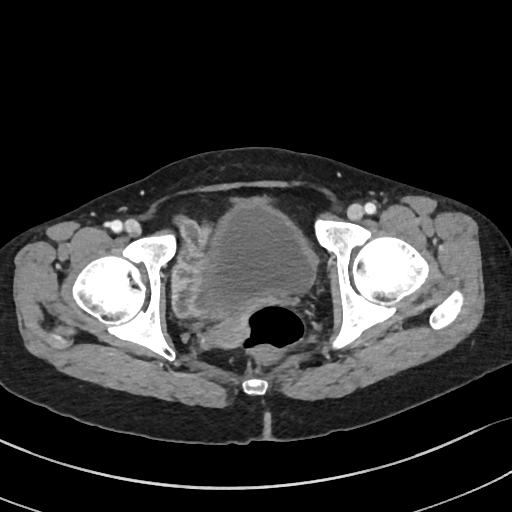 CT abdomen. axial view. 512x512 px. 15 organs annotated in this scan (a whole-scan count: organs this slice does not pass through have no box)
{"organs":{"bladder":[174,202,315,313],"prostate/uterus":[207,314,248,348]}}